CT abdomen · axial view · soft-tissue window
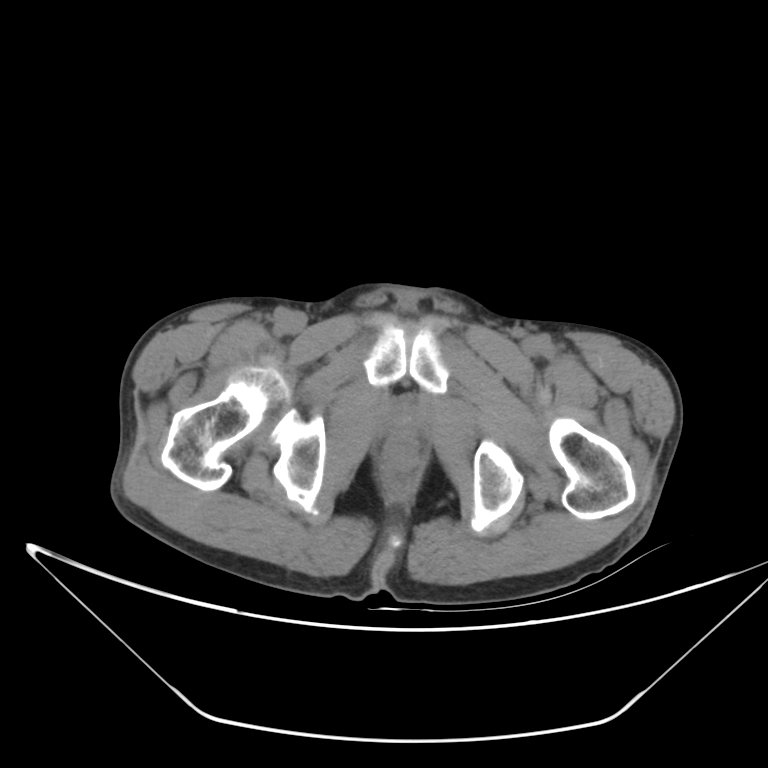 Bounding boxes as [x1, y1, x2, y2] in pixel coordinates.
prostate/uterus: [393, 414, 412, 436]